Abdominal CT; axial view; soft-tissue window; 45-year-old male patient
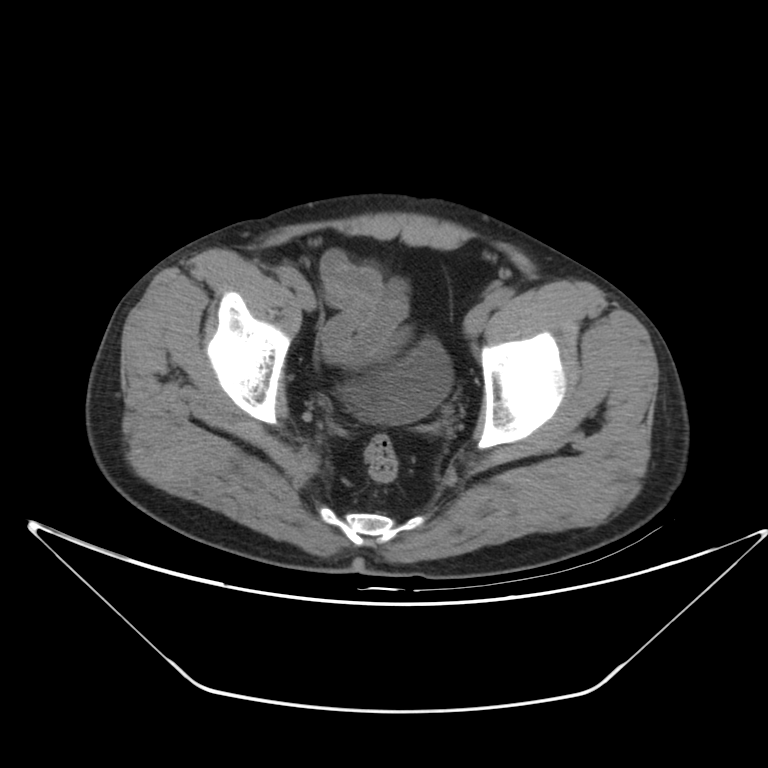 Boxes: x1 y1 x2 y2 (pixel coords, space-separated).
Organ bounding boxes:
- bladder: 344 338 453 423